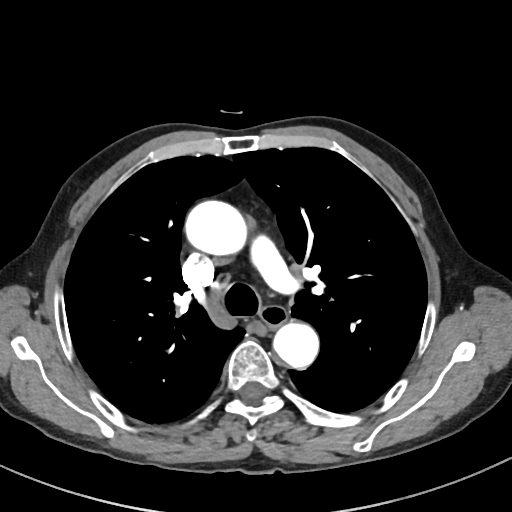 Chest-level slice from an abdominal CT that extends up into the chest. axial view
On a slice this high in the chest, this dataset labels only the esophagus and the aorta, and each is boxed only where it is labeled; the heart, lungs and other chest structures are not labeled.
Box edges are left/top/right/bottom in pixels.
esophagus: left=261, top=307, right=287, bottom=328
aorta: left=184, top=200, right=248, bottom=257
aorta: left=273, top=323, right=318, bottom=368